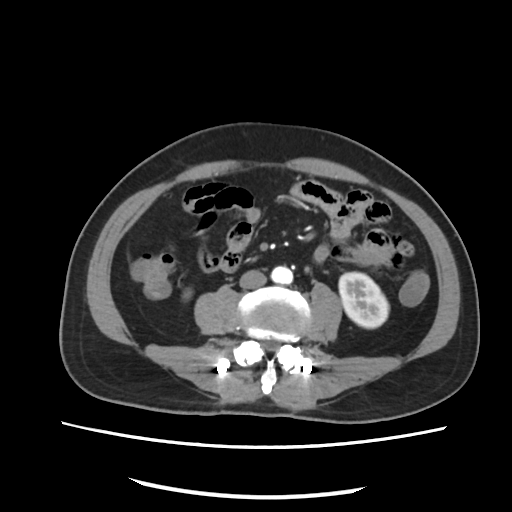 Abdominal CT · Axial slice 57/91 · 512x512 px · 66-year-old male patient · Aquilion ONE scanner
Boxes: x1 y1 x2 y2 (pixel coords, space-separated). Labeled organs on this slice: right kidney at 186 290 190 295, left kidney at 339 273 388 327, aorta at 272 267 292 283, inferior vena cava at 238 269 267 287.